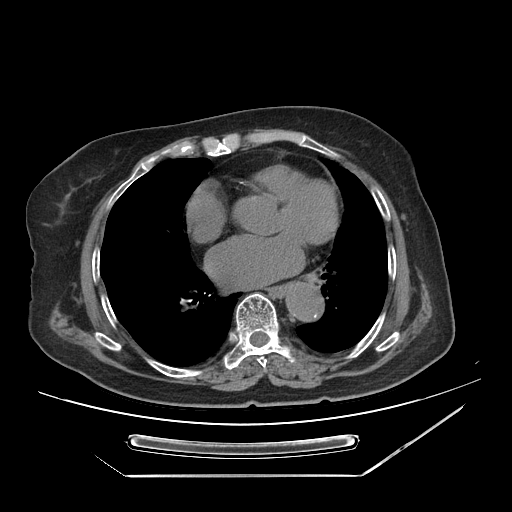

Lower-chest slice from an abdominal CT, just above the liver and spleen · axial plane, index 162 · SOMATOM Force scanner
The heart and lungs are never labeled in this dataset, so they have no box on this slice. Bounding boxes as [x1, y1, x2, y2] in pixel coordinates. The annotated organs in this slice are: esophagus at [270, 284, 292, 297], aorta at [285, 283, 324, 321].